Computed tomography, abdomen — axial plane, index 63 — 68-year-old male patient
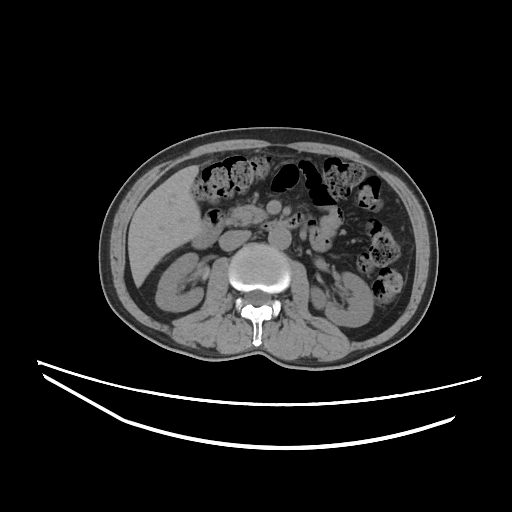
Organ boxes in pixel coordinates; each row gives the top-left (x1, y1) and bottom-right (x2, y2) corners.
| organ | x1 | y1 | x2 | y2 |
|---|---|---|---|---|
| liver | 128 | 165 | 201 | 286 |
| pancreas | 226 | 204 | 267 | 225 |
| left kidney | 310 | 272 | 373 | 326 |
| right kidney | 155 | 253 | 203 | 311 |
| duodenum | 192 | 211 | 299 | 248 |
| aorta | 268 | 227 | 291 | 249 |
| inferior vena cava | 219 | 230 | 250 | 250 |